Magnetic resonance imaging, abdomen. coronal acquisition. 260x320 px. Prisma scanner
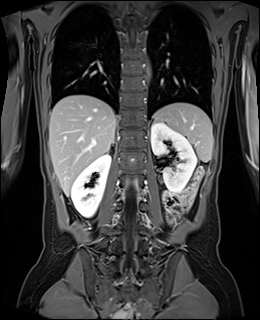 Each box given as x1,y1,x2,y2.
Organ bounding boxes:
- stomach: x1=154, y1=111, x2=168, y2=122
- right kidney: x1=71, y1=153, x2=111, y2=217
- left kidney: x1=151, y1=122, x2=196, y2=192
- liver: x1=49, y1=95, x2=115, y2=195
- spleen: x1=159, y1=102, x2=213, y2=161
- right adrenal gland: x1=108, y1=142, x2=114, y2=151